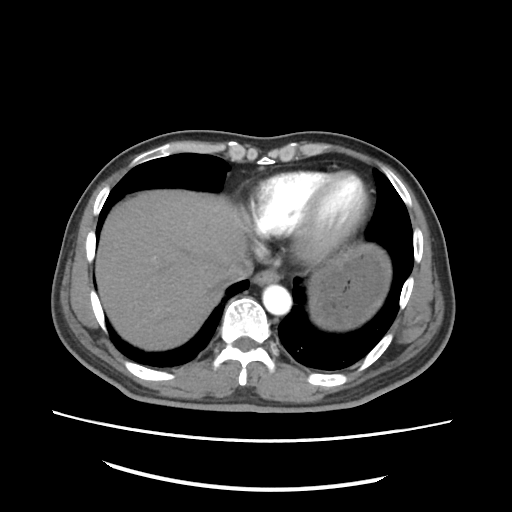
CT, abdomen/pelvis; axial view; 54-year-old male patient; 15 organs annotated in this scan (a whole-scan count: organs this slice does not pass through have no box)
<organs><organ name="esophagus" x1="252" y1="269" x2="281" y2="285"/><organ name="stomach" x1="309" y1="241" x2="388" y2="330"/><organ name="inferior vena cava" x1="222" y1="258" x2="252" y2="282"/><organ name="liver" x1="95" y1="190" x2="248" y2="350"/><organ name="aorta" x1="262" y1="284" x2="291" y2="315"/></organs>